Abdominal CT · axial view · acquired on SOMATOM Force · scan has 15 labeled organs (a whole-scan count: organs this slice does not pass through have no box)
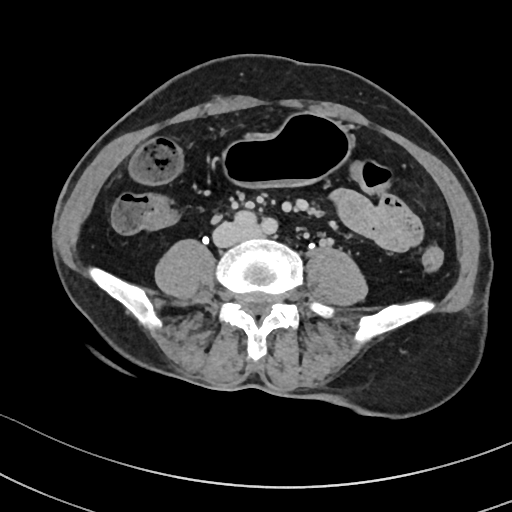

Boxes: x1:y1:x2:y2 in pixels. Labeled organs on this slice: stomach at 222:113:352:186, inferior vena cava at 214:223:250:246.